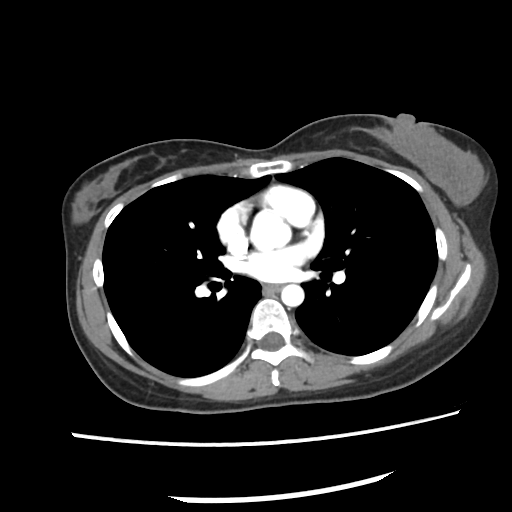
Chest-level slice from an abdominal CT that extends up into the chest · Axial slice 97/124 · 512x512 px
At this level of the chest no structure but the esophagus and the aorta has a label in this dataset, and those two are boxed only where they are labeled.
{"organs":{"esophagus":[267,282,284,293],"aorta":[[250,206,291,251],[281,284,304,306]]}}